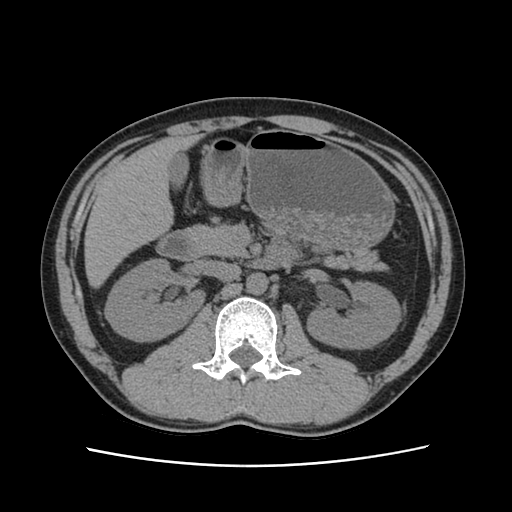 Abdominal CT; axial plane, index 117
Boxes are (x1, y1, x2, y2) in pixels. The annotated organs in this slice are: right kidney at (105, 260, 206, 342), liver at (83, 133, 206, 286), inferior vena cava at (204, 260, 240, 280), stomach at (203, 129, 395, 252), gall bladder at (167, 154, 189, 185), left kidney at (305, 281, 398, 350), duodenum at (158, 231, 281, 268), pancreas at (186, 223, 391, 272), aorta at (246, 274, 267, 295).